CT abdomen · axial view
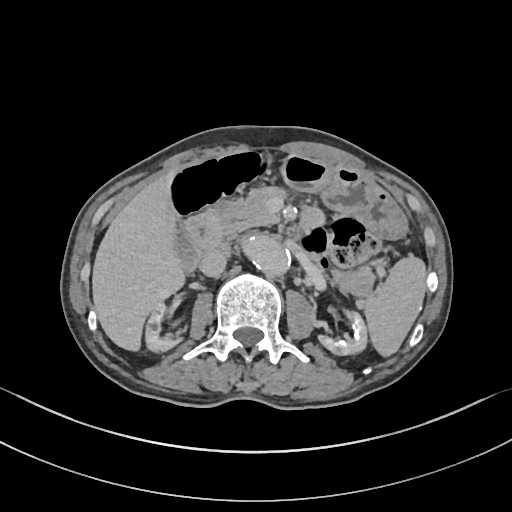
Boxes: x1:y1:x2:y2 in pixels. The annotated organs in this slice are: right kidney at 145:305:181:352, left kidney at 319:312:366:356, duodenum at 183:213:225:256, stomach at 279:153:406:239, liver at 91:171:187:350, aorta at 241:235:291:278, gall bladder at 178:234:200:271, pancreas at 205:186:287:234, spleen at 363:256:426:358, inferior vena cava at 200:249:228:277.